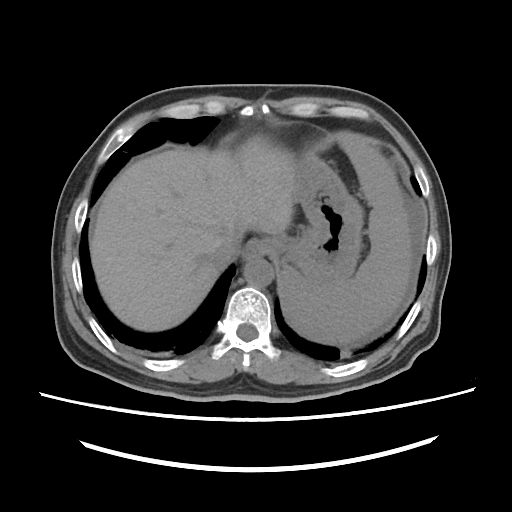
Abdominal CT · axial view · 49-year-old male patient
Organ boxes in pixel coordinates; each row gives the top-left (x1, y1) and bottom-right (x2, y2) corners.
| organ | x1 | y1 | x2 | y2 |
|---|---|---|---|---|
| spleen | 279 | 133 | 412 | 344 |
| esophagus | 243 | 239 | 270 | 259 |
| liver | 90 | 138 | 297 | 331 |
| stomach | 268 | 154 | 363 | 283 |
| aorta | 244 | 258 | 273 | 287 |
| inferior vena cava | 210 | 237 | 238 | 268 |